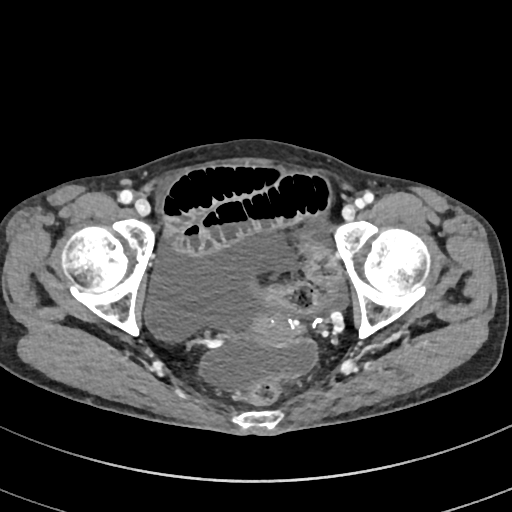

Computed tomography, abdomen; Axial slice 25/198; abdomen soft-tissue window
<organs><organ name="prostate/uterus" x1="246" y1="310" x2="298" y2="347"/></organs>